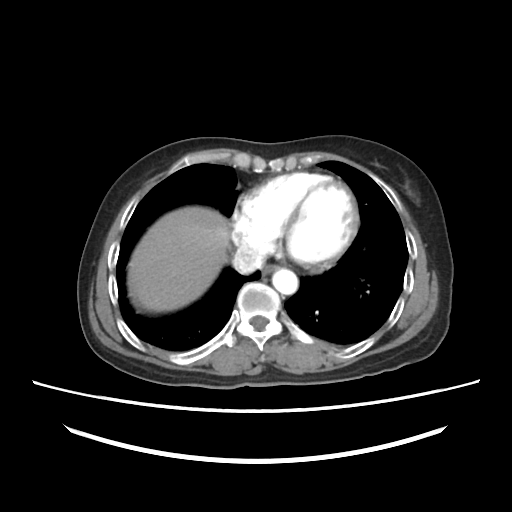

Abdominal CT. Axial slice 86/96. soft-tissue window (W 400 / L 40). Aquilion ONE scanner
Boxes: x1:y1:x2:y2 in pixels.
Organ bounding boxes:
- esophagus: 262:265:277:275
- liver: 127:206:228:312
- aorta: 272:268:298:294
- inferior vena cava: 231:247:265:273